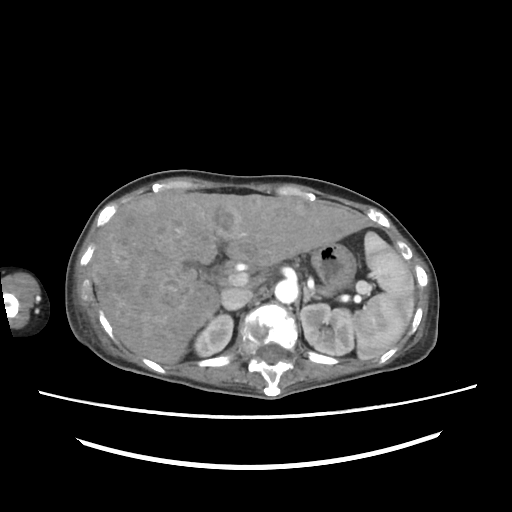 Computed tomography, abdomen; Axial slice 64/111; acquired on Aquilion ONE; scan has 15 labeled organs (that count is for the whole scan; organs this slice misses have no box)
Boxes are (x1, y1, x2, y2) in pixels. Labeled organs on this slice: spleen at (353, 231, 414, 360), right kidney at (194, 314, 233, 356), left kidney at (300, 303, 354, 355), liver at (91, 191, 366, 364), stomach at (311, 242, 356, 289), aorta at (274, 279, 297, 303), inferior vena cava at (221, 287, 252, 309), left adrenal gland at (303, 286, 318, 303).